CT, abdomen/pelvis · axial view · 512x512 px
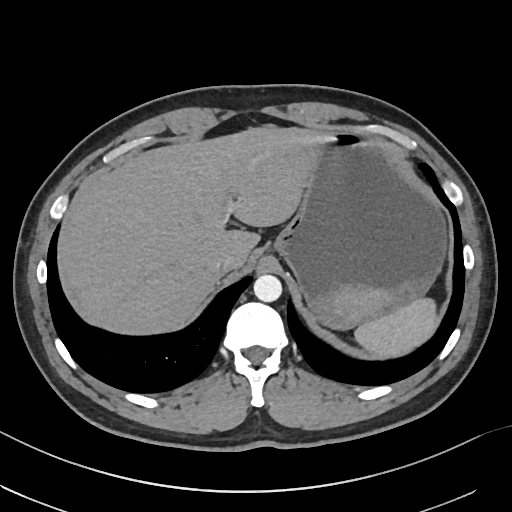 Bounding boxes in pixels, one row per box: x1, y1 is the top-left corner and x2, y2 the bottom-right.
| organ | x1 | y1 | x2 | y2 |
|---|---|---|---|---|
| spleen | 355 | 299 | 436 | 354 |
| liver | 63 | 127 | 332 | 333 |
| stomach | 272 | 132 | 447 | 329 |
| aorta | 253 | 275 | 281 | 302 |
| inferior vena cava | 212 | 251 | 239 | 273 |